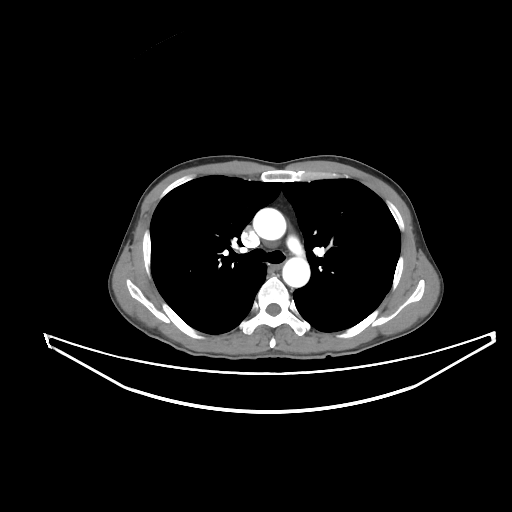 Chest-level slice from an abdominal CT that extends up into the chest · axial view · W/L 400/40 HU
On a slice this high in the chest, this dataset labels only the esophagus and the aorta, and each is boxed only where it is labeled; the heart, lungs and other chest structures are not labeled.
<organs><organ name="aorta" x1="253" y1="208" x2="286" y2="240"/><organ name="aorta" x1="282" y1="257" x2="310" y2="287"/><organ name="esophagus" x1="270" y1="264" x2="281" y2="271"/></organs>